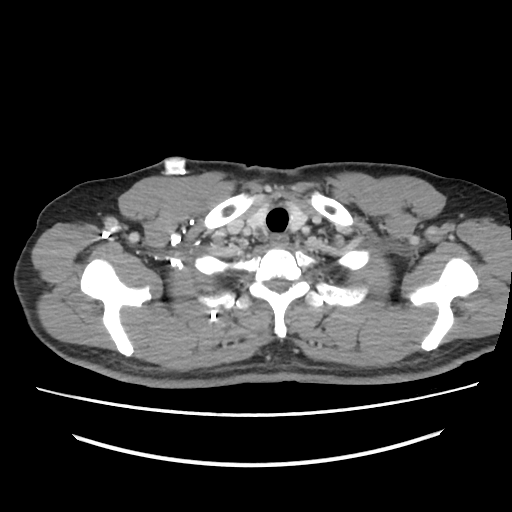

Abdominal CT reaching into the chest; this slice is in the chest; axial view; 58-year-old male patient
On a slice this high in the chest, this dataset labels only the esophagus and the aorta, and each is boxed only where it is labeled; the heart, lungs and other chest structures are not labeled.
Coordinates as <box>x1,y1,x2,y2</box> in pixels.
Organ bounding boxes:
- esophagus: <box>272,235,288,245</box>